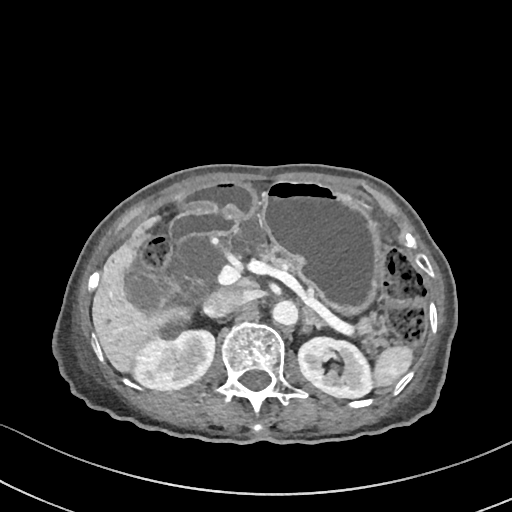 CT, abdomen/pelvis — axial view — 15 organs annotated in this scan (counted over the whole 3D scan, not this slice; an organ is boxed only where this slice passes through it)
<organs><organ name="spleen" x1="372" y1="346" x2="411" y2="387"/><organ name="right kidney" x1="132" y1="325" x2="215" y2="390"/><organ name="left kidney" x1="298" y1="336" x2="372" y2="399"/><organ name="gall bladder" x1="126" y1="275" x2="163" y2="311"/><organ name="liver" x1="92" y1="193" x2="194" y2="374"/><organ name="stomach" x1="182" y1="181" x2="382" y2="315"/><organ name="aorta" x1="271" y1="301" x2="297" y2="326"/><organ name="inferior vena cava" x1="204" y1="288" x2="254" y2="317"/><organ name="pancreas" x1="227" y1="217" x2="390" y2="345"/><organ name="duodenum" x1="169" y1="209" x2="235" y2="243"/></organs>